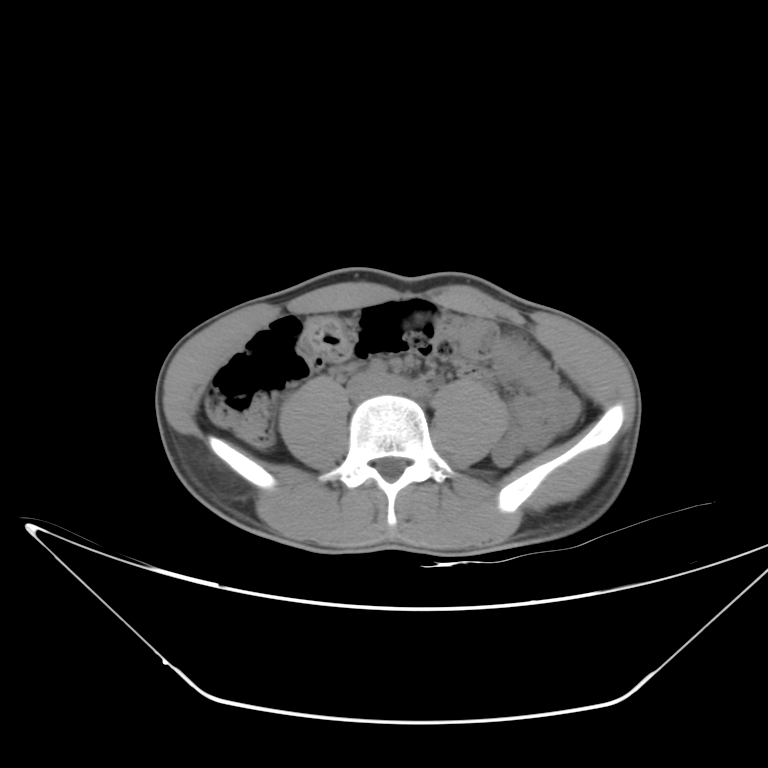 CT, abdomen/pelvis · axial plane, index 39
Box edges are left/top/right/bottom in pixels. 2 labeled organs on this slice — aorta at left=413, top=396, right=421, bottom=396; inferior vena cava at left=347, top=375, right=380, bottom=399.